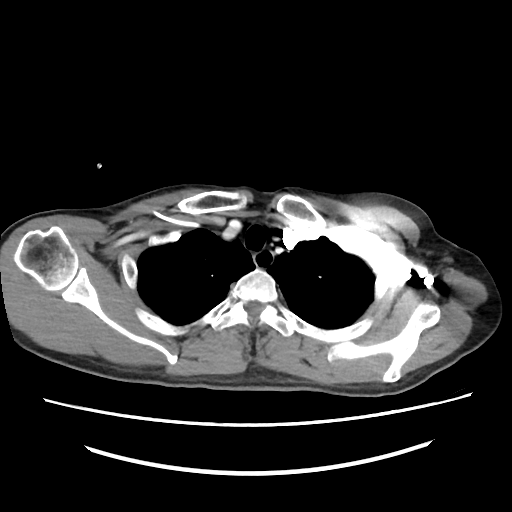
Abdominal CT reaching into the chest; this slice is in the chest — axial plane, index 125 — 14 organs annotated in this scan (that count is for the whole scan; organs this slice misses have no box)
On a slice this high in the chest, this dataset labels only the esophagus and the aorta, and each is boxed only where it is labeled; the heart, lungs and other chest structures are not labeled.
Boxes are (x1, y1, x2, y2) in pixels.
esophagus: (253, 250, 275, 271)